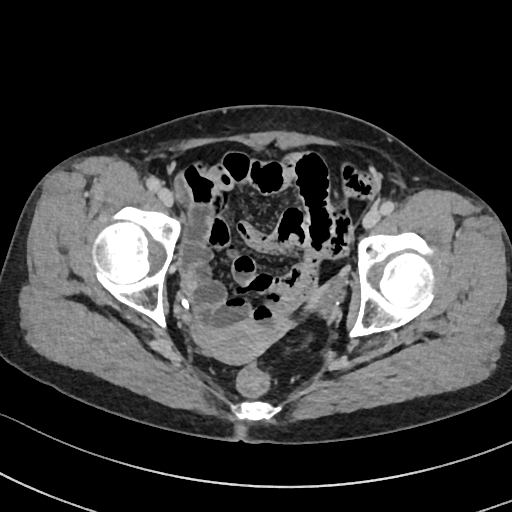 Abdominal CT; axial view; SOMATOM Force scanner
Coordinates as <box>x1,y1,x2,y2</box> in pixels.
Organ bounding boxes:
- prostate/uterus: <box>201,323,270,364</box>